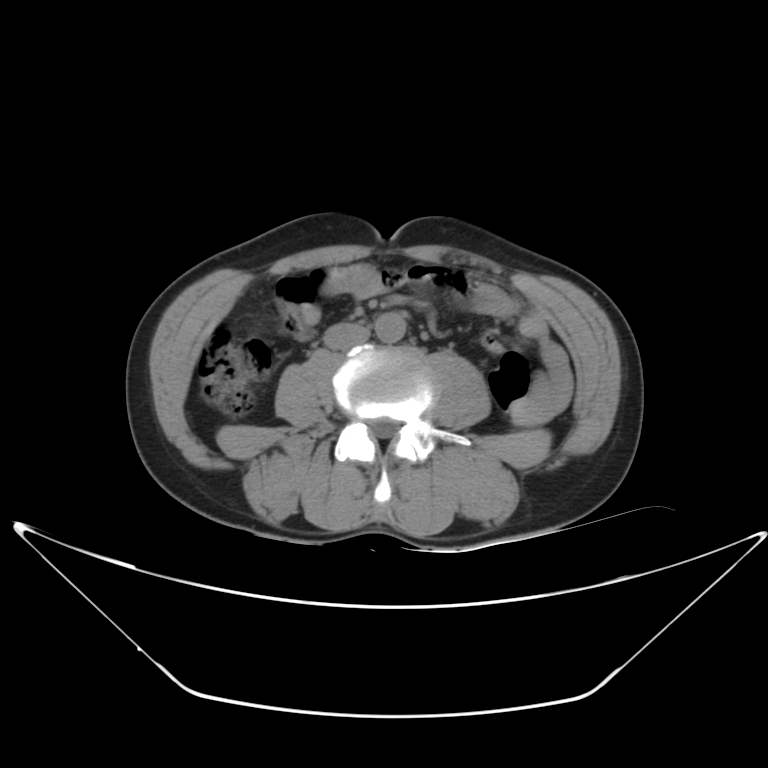 Abdominal CT — Axial slice 50/93 — soft-tissue window (W 400 / L 40) — 768x768 px — 51-year-old male patient
Boxes: x1 y1 x2 y2 (pixel coords, space-separated). The annotated organs in this slice are: aorta at 373 313 405 344, inferior vena cava at 324 324 367 350.